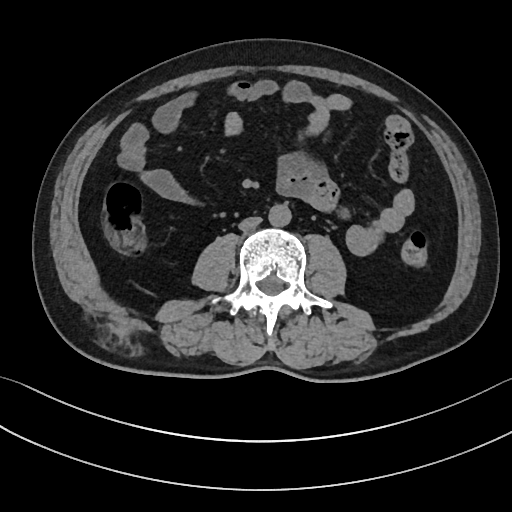
CT, abdomen/pelvis; axial plane, index 118
One row per box, in pixels: columns x1 and y1 give the top-left corner, x2 and y2 the bottom-right.
| organ | x1 | y1 | x2 | y2 |
|---|---|---|---|---|
| aorta | 268 | 204 | 291 | 227 |
| inferior vena cava | 238 | 216 | 261 | 230 |